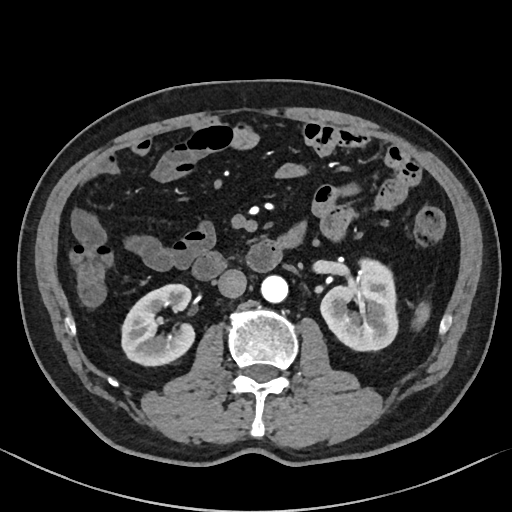 CT, abdomen/pelvis. axial plane, index 130. scan has 15 labeled organs (counted over the whole 3D scan, not this slice; an organ is boxed only where this slice passes through it)
<organs><organ name="right kidney" x1="121" y1="284" x2="195" y2="366"/><organ name="spleen" x1="414" y1="304" x2="429" y2="325"/><organ name="duodenum" x1="191" y1="227" x2="304" y2="279"/><organ name="aorta" x1="261" y1="276" x2="288" y2="303"/><organ name="inferior vena cava" x1="217" y1="269" x2="246" y2="298"/><organ name="left kidney" x1="320" y1="259" x2="396" y2="352"/></organs>